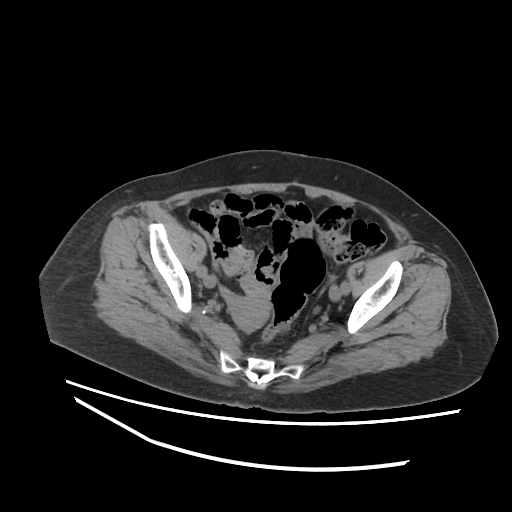 Abdominal CT; axial view; abdomen soft-tissue window
Organ boxes in pixel coordinates; each row gives the top-left (x1, y1) and bottom-right (x2, y2) corners.
| organ | x1 | y1 | x2 | y2 |
|---|---|---|---|---|
| prostate/uterus | 232 | 299 | 270 | 331 |